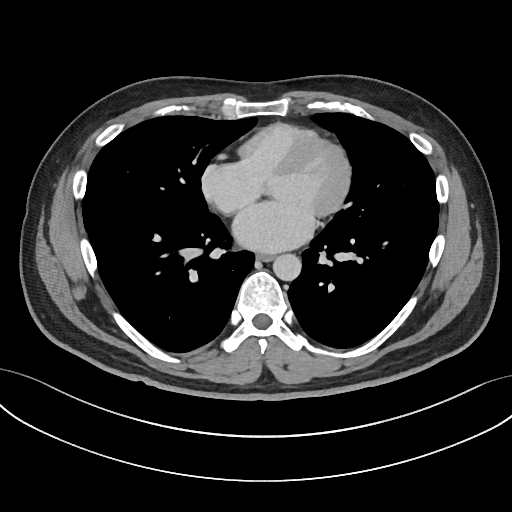 CT of the abdomen reaching into the lower chest, slice just above the liver and spleen; Axial slice 258/345; 512x512 px; scan has 15 labeled organs (a whole-scan count: organs this slice does not pass through have no box)
No part of the heart or lungs is labeled in this dataset, so neither has a box here.
Boxes are (x1, y1, x2, y2) in pixels.
esophagus: (255, 254, 274, 262)
aorta: (272, 254, 301, 281)